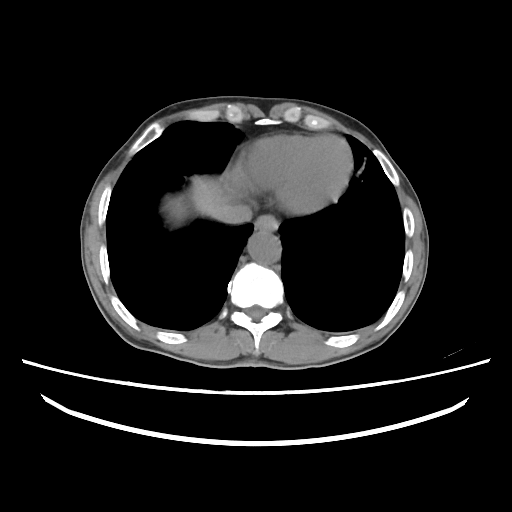
CT, abdomen/pelvis; Axial slice 88/90; W/L 400/40 HU; 54-year-old male patient; 15 organs annotated in this scan (counted over the whole 3D scan, not this slice; an organ is boxed only where this slice passes through it)
Bounding boxes in pixels, one row per box: x1, y1 is the top-left corner and x2, y2 the bottom-right.
| organ | x1 | y1 | x2 | y2 |
|---|---|---|---|---|
| liver | 172 | 175 | 231 | 219 |
| esophagus | 254 | 215 | 278 | 230 |
| aorta | 248 | 231 | 281 | 262 |
| inferior vena cava | 213 | 202 | 252 | 223 |